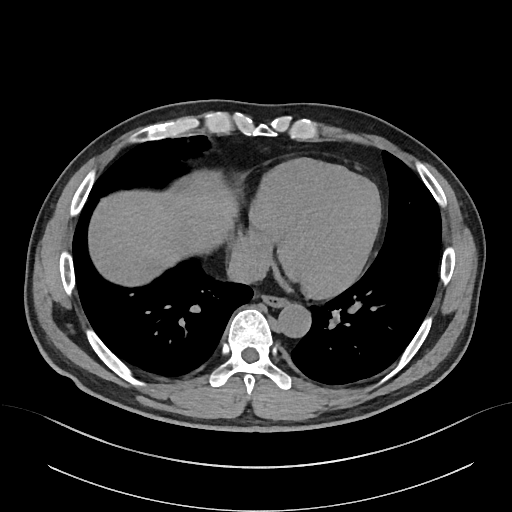
Computed tomography, abdomen — axial plane, index 247 — 512x512 px
One row per box, in pixels: columns x1 and y1 give the top-left corner, x2 and y2 the bottom-right.
| organ | x1 | y1 | x2 | y2 |
|---|---|---|---|---|
| esophagus | 262 | 297 | 287 | 307 |
| liver | 89 | 176 | 236 | 285 |
| aorta | 277 | 304 | 310 | 338 |
| inferior vena cava | 228 | 247 | 267 | 282 |